Abdominal MRI. axial view. percentile-normalized. 576x468 px. Prisma scanner
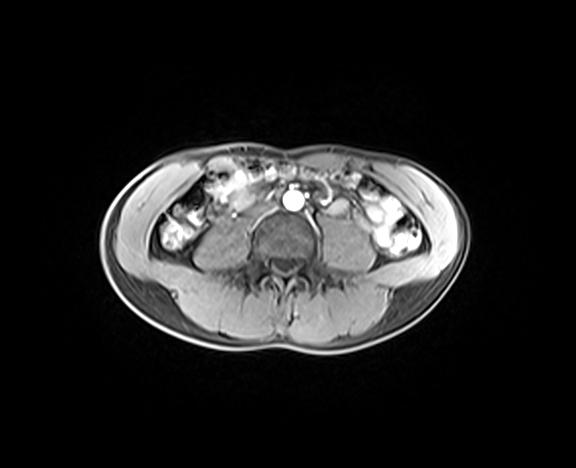
{"organs":{"aorta":[283,192,303,209],"inferior vena cava":[250,201,276,215]}}